Abdominal CT · axial view · soft-tissue window (W 400 / L 40) · 768x768 px · 32-year-old female patient
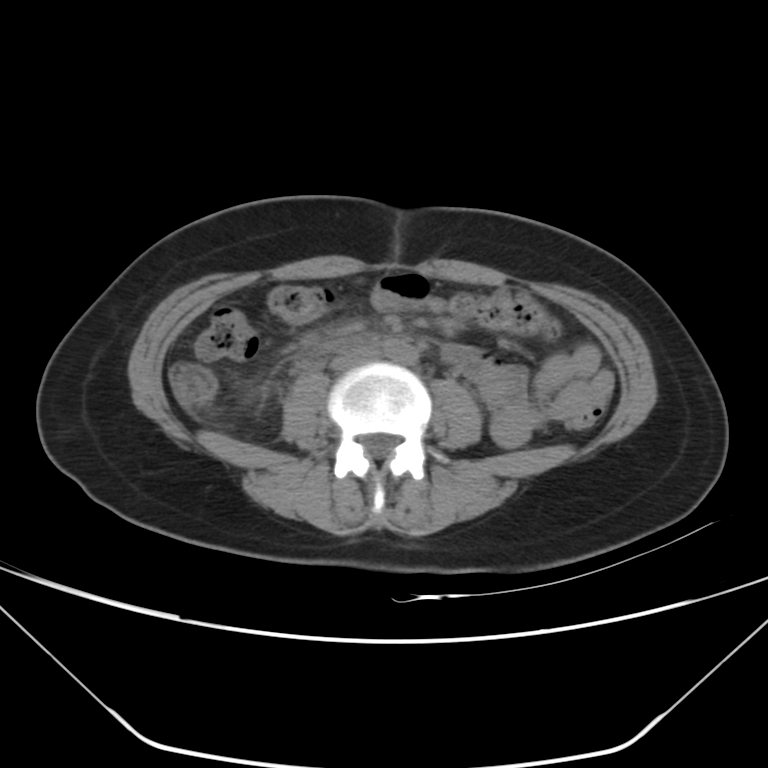
Each box given as x1,y1,x2,y2. 2 labeled organs on this slice — aorta at x1=384, y1=340, x2=415, y2=363; inferior vena cava at x1=330, y1=347, x2=376, y2=369.